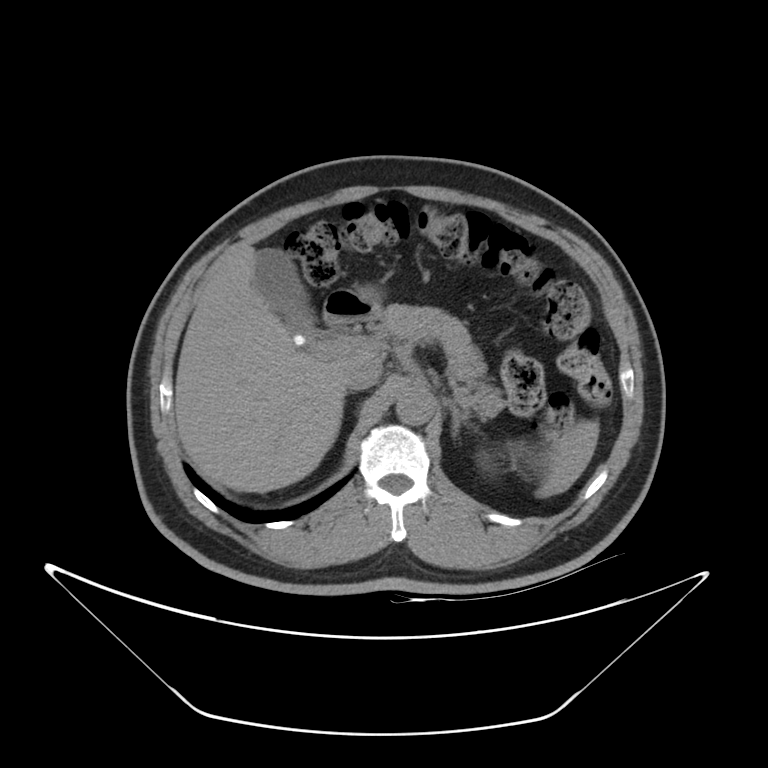
Computed tomography, abdomen; axial plane, index 67; 768x768 px
{"organs":{"spleen":[536,421,599,498],"left kidney":[476,453,495,474],"gall bladder":[254,248,322,343],"liver":[175,246,349,493],"stomach":[357,286,381,308],"aorta":[395,386,434,425],"inferior vena cava":[340,354,383,389],"pancreas":[379,304,505,415],"left adrenal gland":[444,400,470,438],"duodenum":[323,290,379,331]}}